Computed tomography, abdomen. axial view. 31-year-old female patient. acquired on Aquilion ONE
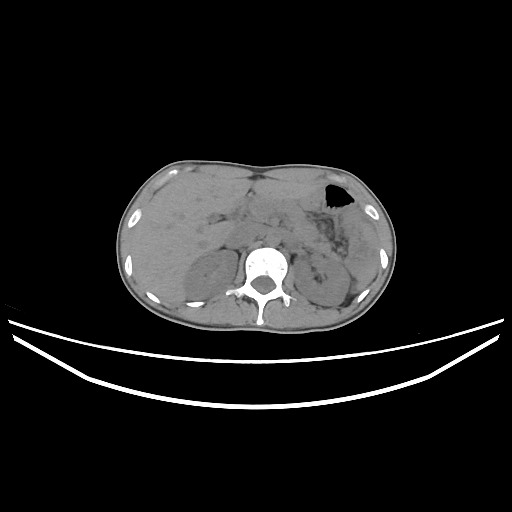

Bounding boxes in pixels, one row per box: x1, y1 is the top-left corner and x2, y2 the bottom-right.
| organ | x1 | y1 | x2 | y2 |
|---|---|---|---|---|
| spleen | 353 | 224 | 375 | 291 |
| aorta | 266 | 231 | 280 | 245 |
| inferior vena cava | 225 | 222 | 260 | 248 |
| liver | 132 | 176 | 319 | 302 |
| left kidney | 293 | 256 | 349 | 305 |
| duodenum | 231 | 198 | 247 | 220 |
| pancreas | 247 | 197 | 330 | 253 |
| right kidney | 184 | 250 | 237 | 299 |